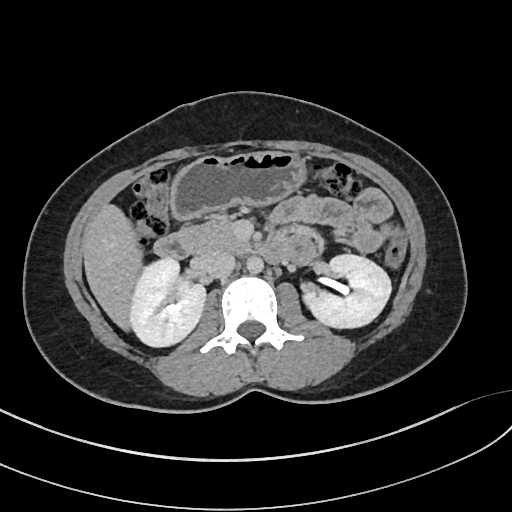
Computed tomography, abdomen — Axial slice 146/219 — soft-tissue window (W 400 / L 40)
Organ boxes in pixel coordinates; each row gives the top-left (x1, y1) and bottom-right (x2, y2) corners.
| organ | x1 | y1 | x2 | y2 |
|---|---|---|---|---|
| right kidney | 130 | 257 | 205 | 346 |
| left kidney | 303 | 254 | 391 | 328 |
| liver | 82 | 204 | 142 | 330 |
| stomach | 170 | 151 | 306 | 220 |
| aorta | 246 | 256 | 263 | 273 |
| inferior vena cava | 194 | 250 | 235 | 278 |
| pancreas | 184 | 216 | 250 | 253 |
| duodenum | 154 | 229 | 290 | 263 |